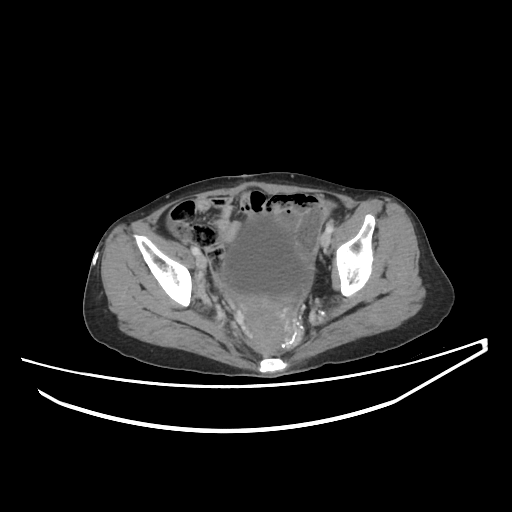
Abdominal CT; axial plane, index 20; 512x512 px; 15 organs annotated in this scan (that count is for the whole scan; organs this slice misses have no box)
Boxes are (x1, y1, x2, y2) in pixels. Labeled organs on this slice: bladder at (222, 217, 314, 299), prostate/uterus at (237, 297, 292, 349).